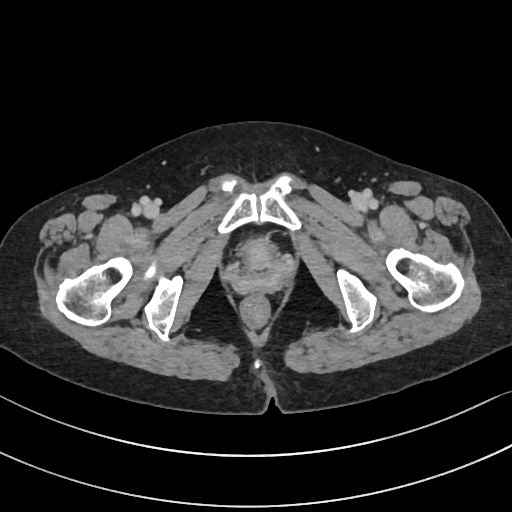 CT, abdomen/pelvis · axial view · soft-tissue window · 512x512 px
Box edges are left/top/right/bottom in pixels.
bladder: left=238, top=240, right=274, bottom=263